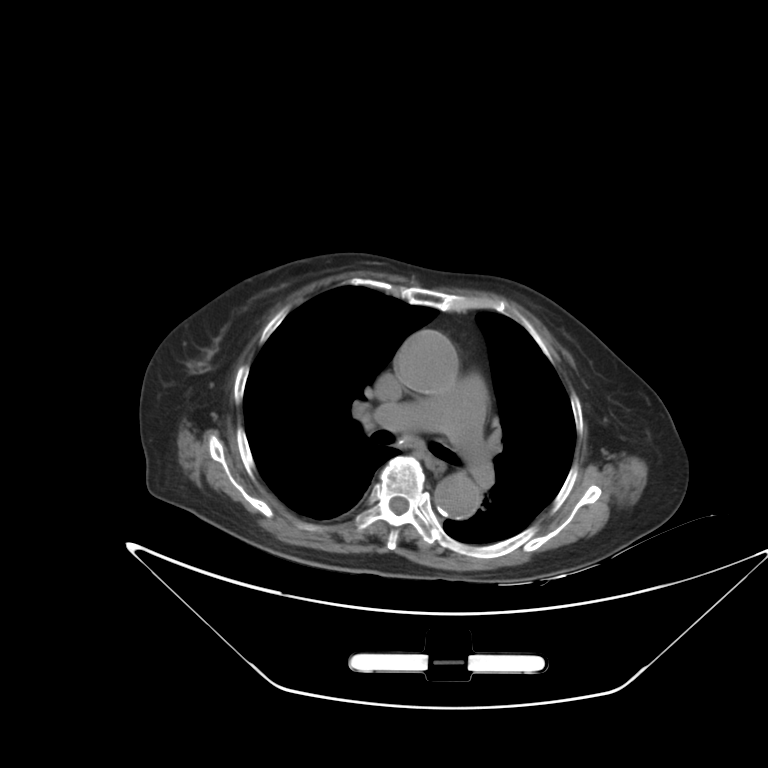

Lower-chest slice from an abdominal CT, just above the liver and spleen — axial view
Of the structures in the chest, this dataset labels only the esophagus, the aorta and the inferior vena cava; the heart and lungs have no label.
{"organs":{"aorta":[[395,329,457,393],[434,473,480,518]],"esophagus":[424,456,443,469]}}